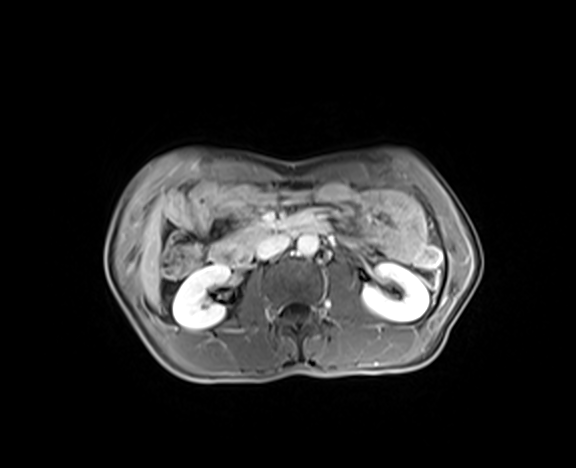 MRI, abdomen. axial view. 1st–99th percentile window. scan has 13 labeled organs (that count is for the whole scan; organs this slice misses have no box)
{"organs":{"liver":[139,201,163,307],"pancreas":[228,219,280,253],"right kidney":[172,264,230,329],"aorta":[297,235,318,256],"inferior vena cava":[255,234,290,259],"left kidney":[362,263,429,321],"duodenum":[209,214,327,266]}}